Abdominal CT — axial view
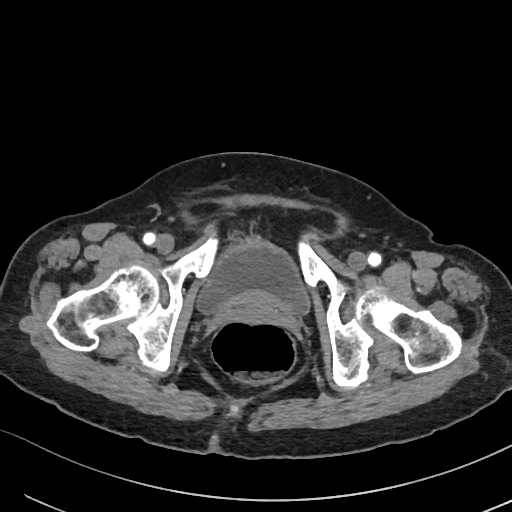
<organs><organ name="bladder" x1="196" y1="239" x2="310" y2="315"/></organs>